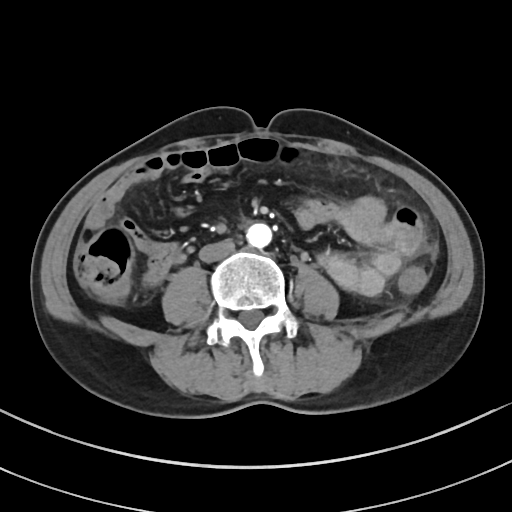
CT, abdomen/pelvis · axial view
Boxes: x1:y1:x2:y2 in pixels.
Organ bounding boxes:
- aorta: 246:223:271:248
- inferior vena cava: 199:239:234:262